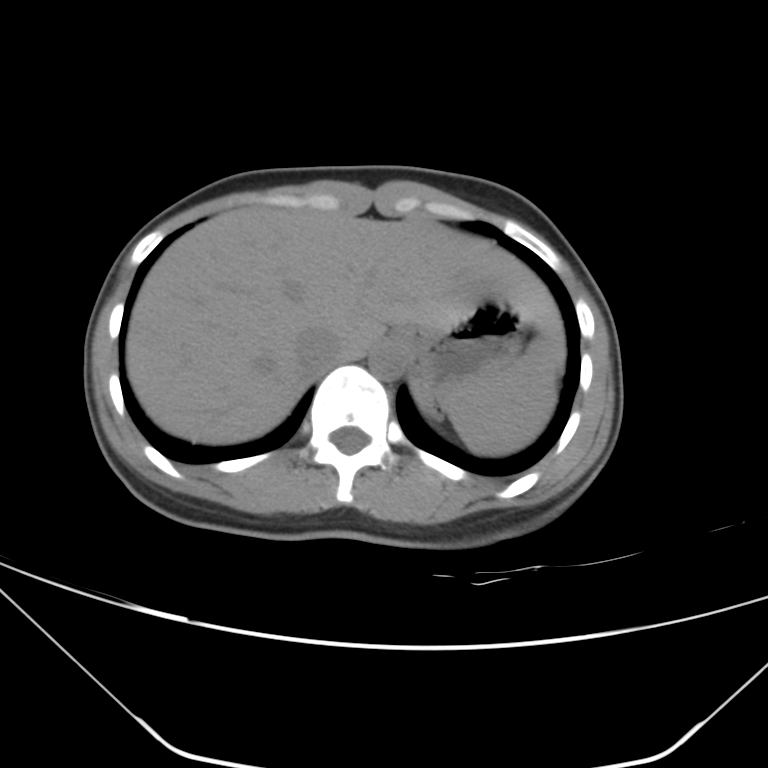
CT abdomen; axial view; W/L 400/40 HU; 768x768 px
Boxes are (x1, y1, x2, y2) in pixels. 5 labeled organs on this slice — inferior vena cava at (293, 326, 344, 372); liver at (126, 207, 565, 444); spleen at (442, 342, 556, 455); stomach at (390, 297, 527, 405); aorta at (369, 342, 406, 379).